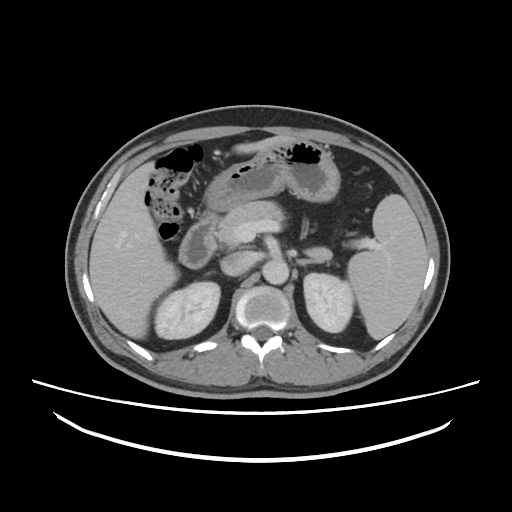 Abdominal CT — axial view — soft-tissue window (W 400 / L 40) — 512x512 px
Coordinates as <box>x1,y1,x2,y2</box> in pixels.
spleen: <box>347,194,426,339</box>
right kidney: <box>154,282,220,339</box>
left kidney: <box>303,273,353,332</box>
liver: <box>89,135,297,338</box>
stomach: <box>206,140,340,210</box>
aorta: <box>262,259,288,284</box>
inferior vena cava: <box>220,251,256,276</box>
pancreas: <box>215,200,332,260</box>
left adrenal gland: <box>297,259,325,265</box>
duodenum: <box>179,213,217,268</box>